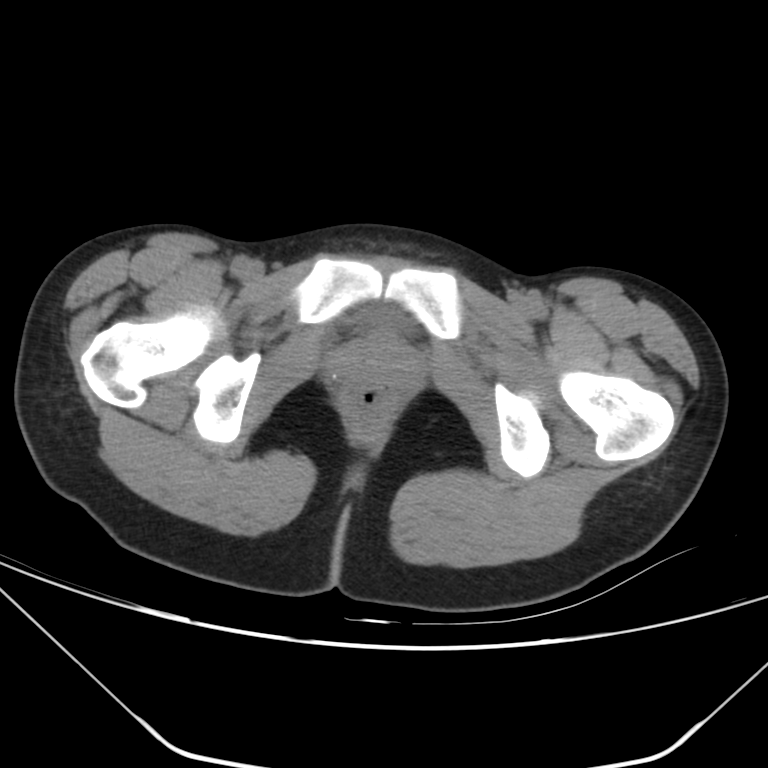 CT abdomen; axial plane, index 2; W/L 400/40 HU
<organs><organ name="bladder" x1="369" y1="307" x2="399" y2="325"/></organs>